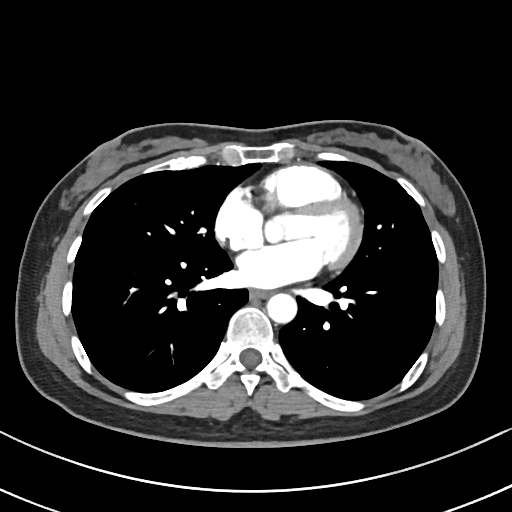
Abdominal CT; this slice is in the lower chest, just above the liver. axial plane, index 240. 15 organs annotated in this scan (counted over the whole 3D scan, not this slice; an organ is boxed only where this slice passes through it)
Of the structures in the chest, this dataset labels only the esophagus, the aorta and the inferior vena cava; the heart and lungs have no label.
<organs><organ name="esophagus" x1="250" y1="290" x2="268" y2="299"/><organ name="aorta" x1="266" y1="293" x2="296" y2="323"/></organs>